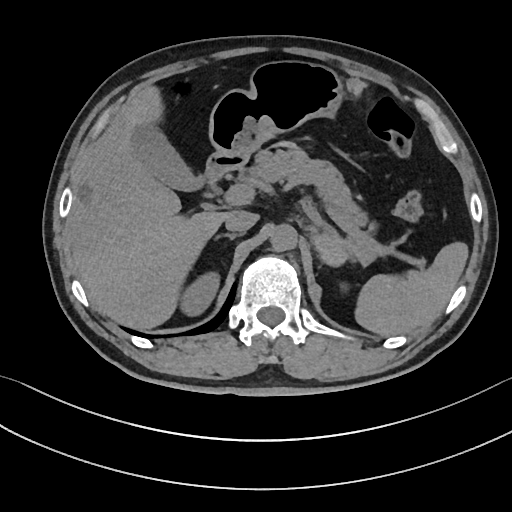

CT, abdomen/pelvis — Axial slice 172/231 — scan has 15 labeled organs (that count is for the whole scan; organs this slice misses have no box)
Boxes: x1 y1 x2 y2 (pixel coords, space-separated).
Organ bounding boxes:
- spleen: 355 241 468 336
- right kidney: 180 271 219 316
- gall bladder: 131 123 206 190
- liver: 66 86 229 329
- stomach: 208 60 342 161
- aorta: 270 224 297 251
- inferior vena cava: 225 211 258 232
- pancreas: 242 149 377 228
- right adrenal gland: 215 233 242 240
- duodenum: 204 152 244 187